CT abdomen — Axial slice 109/333 — soft-tissue window
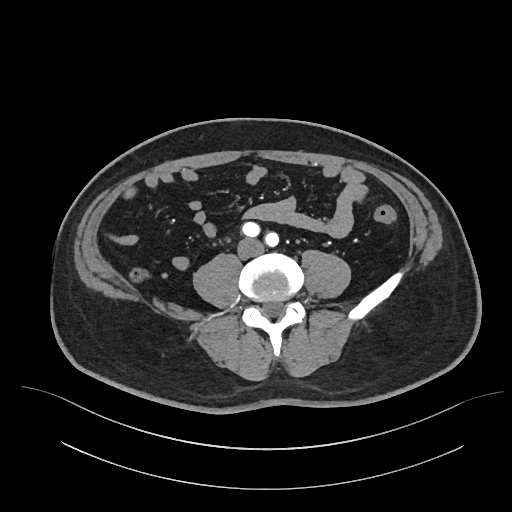
Each box given as x1,y1,x2,y2. The annotated organs in this slice are: inferior vena cava at x1=238, y1=238, x2=263, y2=257.